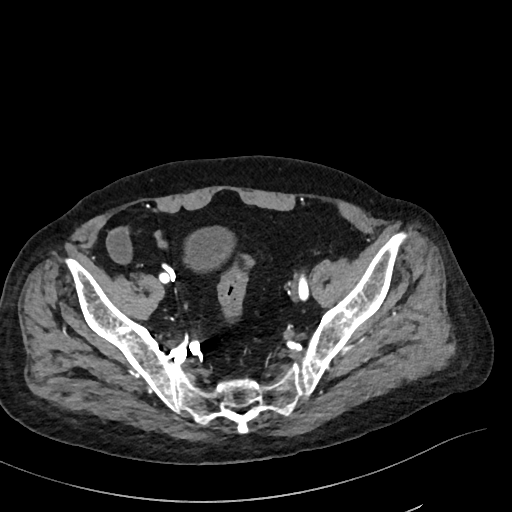 CT, abdomen/pelvis; Axial slice 61/235; abdomen soft-tissue window; scan has 15 labeled organs (that count is for the whole scan; organs this slice misses have no box)
Each box given as x1,y1,x2,y2.
Organ bounding boxes:
- bladder: x1=186, y1=226, x2=234, y2=268